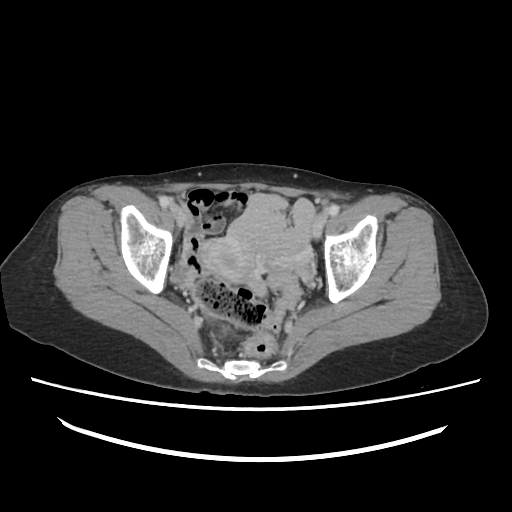
Abdominal CT. axial view. 512x512 px. 54-year-old female patient. 15 organs annotated in this scan (a whole-scan count: organs this slice does not pass through have no box)
Bounding boxes in pixels, one row per box: x1, y1 is the top-left corner and x2, y2 the bottom-right.
| organ | x1 | y1 | x2 | y2 |
|---|---|---|---|---|
| prostate/uterus | 203 | 235 | 260 | 285 |